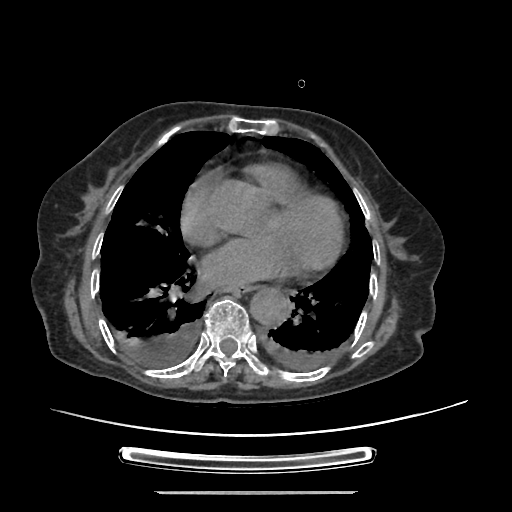 Abdominal CT; this slice is in the lower chest, just above the liver — Axial slice 345/353 — soft-tissue window (W 400 / L 40) — 512x512 px
The heart and lungs are never labeled in this dataset, so they have no box on this slice.
<organs><organ name="aorta" x1="250" y1="286" x2="291" y2="324"/><organ name="esophagus" x1="226" y1="286" x2="252" y2="293"/></organs>